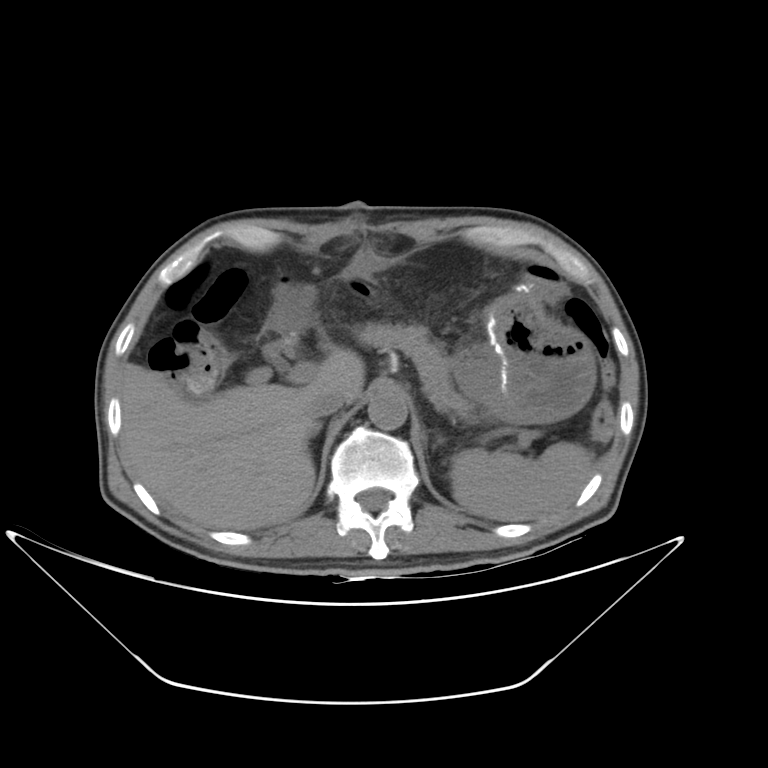

CT abdomen; Axial slice 77/104
Organ boxes in pixel coordinates; each row gives the top-left (x1, y1) and bottom-right (x2, y2) corners.
| organ | x1 | y1 | x2 | y2 |
|---|---|---|---|---|
| spleen | 450 | 441 | 594 | 522 |
| pancreas | 356 | 322 | 473 | 416 |
| gall bladder | 248 | 367 | 273 | 382 |
| inferior vena cava | 306 | 390 | 345 | 419 |
| liver | 120 | 347 | 364 | 529 |
| right adrenal gland | 315 | 425 | 321 | 431 |
| duodenum | 263 | 339 | 289 | 359 |
| stomach | 455 | 343 | 520 | 424 |
| aorta | 367 | 389 | 407 | 430 |